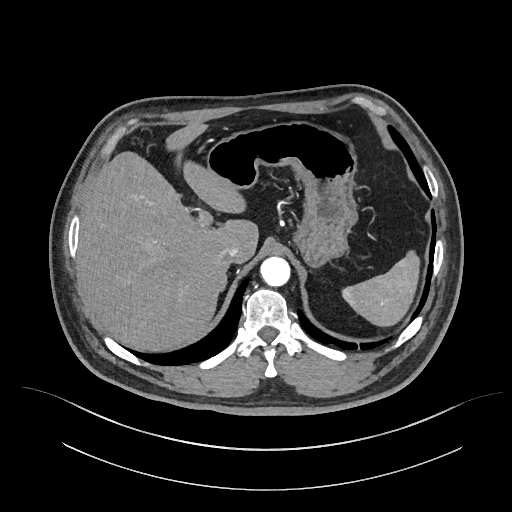

CT, abdomen/pelvis · axial view
<organs><organ name="liver" x1="78" y1="122" x2="258" y2="351"/><organ name="right adrenal gland" x1="223" y1="276" x2="226" y2="288"/><organ name="aorta" x1="260" y1="257" x2="290" y2="286"/><organ name="inferior vena cava" x1="219" y1="245" x2="238" y2="264"/><organ name="stomach" x1="206" y1="121" x2="357" y2="267"/><organ name="spleen" x1="342" y1="250" x2="419" y2="326"/></organs>